CT, abdomen/pelvis · Axial slice 30/95
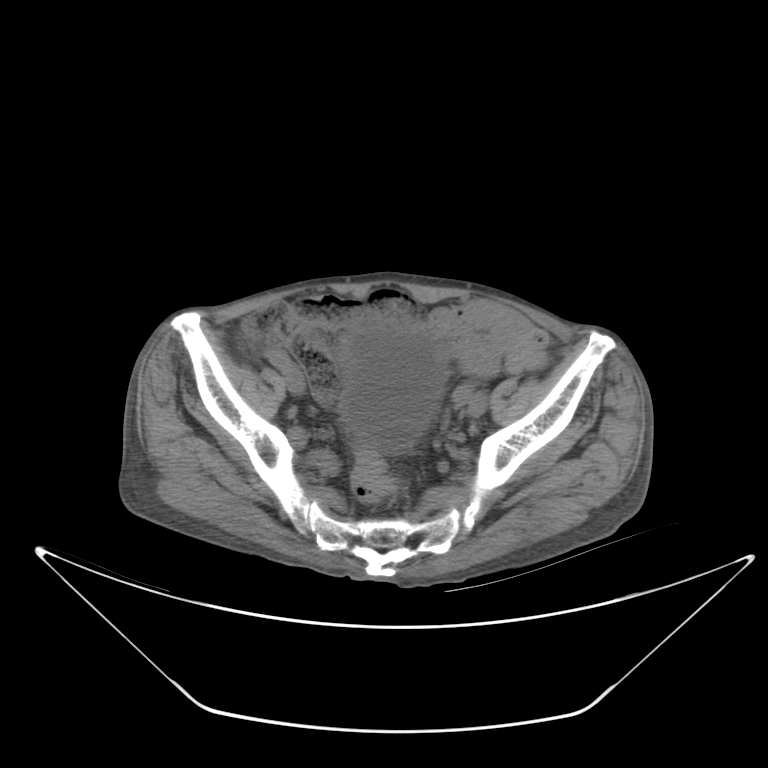 Boxes: x1:y1:x2:y2 in pixels.
bladder: 339:325:442:451